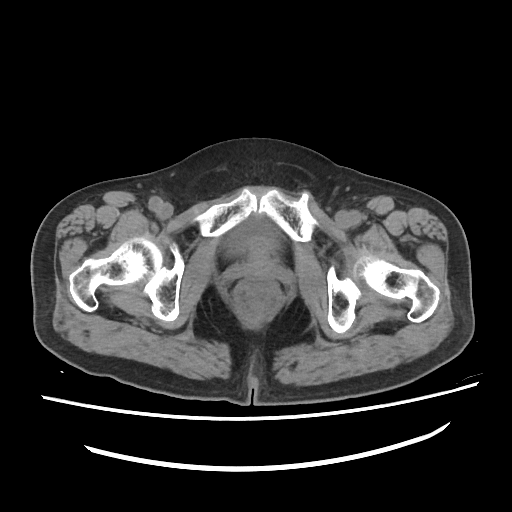 CT, abdomen/pelvis. axial view. soft-tissue window (W 400 / L 40). 61-year-old female patient
Boxes: x1:y1:x2:y2 in pixels. 1 labeled organ on this slice — bladder at 231:219:273:250.